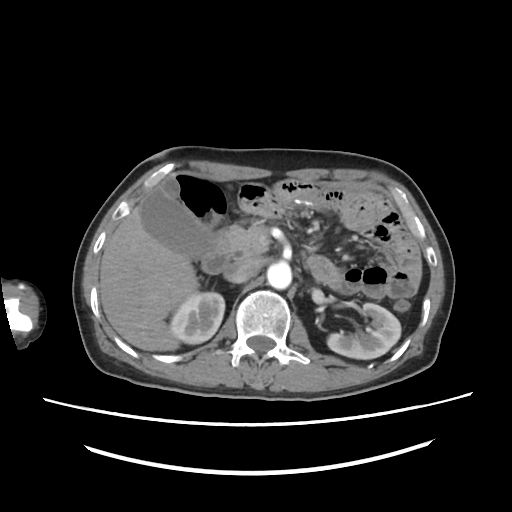
CT, abdomen/pelvis — axial view — 14 organs annotated in this scan (a whole-scan count: organs this slice does not pass through have no box)
Box edges are left/top/right/bottom in pixels.
Organ bounding boxes:
- right kidney: left=169, top=292, right=225, bottom=344
- left kidney: left=326, top=303, right=400, bottom=359
- gall bladder: left=143, top=178, right=212, bottom=259
- liver: left=98, top=197, right=199, bottom=352
- aorta: left=267, top=262, right=292, bottom=289
- inferior vena cava: left=224, top=258, right=262, bottom=283
- pancreas: left=234, top=224, right=268, bottom=253
- duodenum: left=203, top=225, right=238, bottom=273